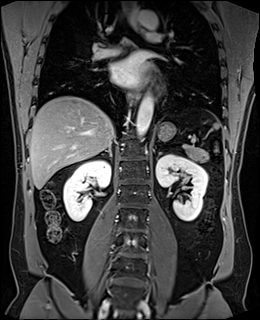 Magnetic resonance imaging, abdomen · coronal view · percentile-normalized · 260x320 px
Coordinates as <box>x1,y1,x2,y2</box> in pixels. The annotated organs in this slice are: liver at <box>29,96,114,188</box>, right kidney at <box>63,160,110,221</box>, aorta at <box>136,94,153,138</box>, aorta at <box>137,10,158,29</box>, esophagus at <box>129,6,142,31</box>, esophagus at <box>129,88,140,102</box>, pancreas at <box>180,144,207,161</box>, stomach at <box>158,122,176,140</box>, spleen at <box>213,123,219,128</box>, left adrenal gland at <box>156,153,163,158</box>, right adrenal gland at <box>100,146,111,157</box>, left kidney at <box>156,154,208,221</box>.